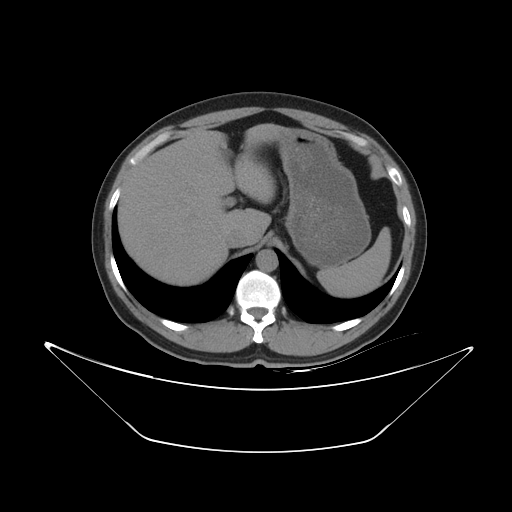
CT abdomen; axial view; Brilliance16 scanner
Organ boxes in pixel coordinates; each row gives the top-left (x1, y1) and bottom-right (x2, y2) corners.
| organ | x1 | y1 | x2 | y2 |
|---|---|---|---|---|
| spleen | 317 | 227 | 390 | 296 |
| liver | 117 | 124 | 284 | 285 |
| stomach | 273 | 128 | 370 | 268 |
| aorta | 256 | 249 | 278 | 271 |
| inferior vena cava | 225 | 230 | 247 | 247 |